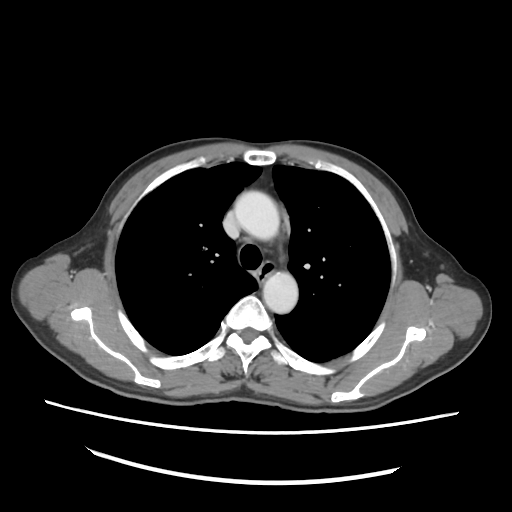
Chest-level slice from an abdominal CT that extends up into the chest; axial view
At this level of the chest this dataset labels only the esophagus and the aorta, and each is boxed only where it is labeled; the heart and lungs are never labeled.
Bounding boxes as [x1, y1, x2, y2] in pixel coordinates.
aorta: [234, 191, 279, 240]
aorta: [263, 271, 298, 313]
esophagus: [257, 260, 273, 282]